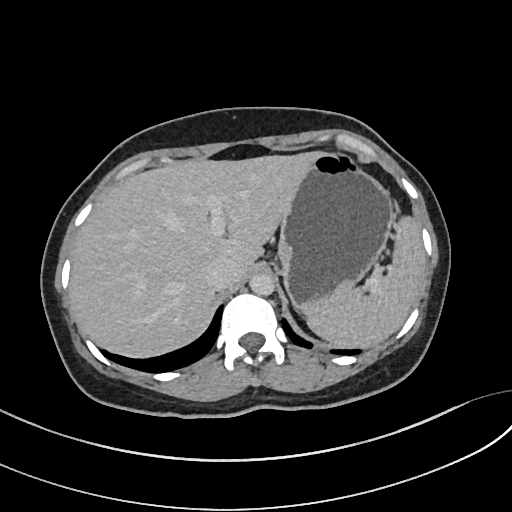

CT, abdomen/pelvis. axial view
{"organs":{"spleen":[308,212,425,346],"liver":[69,153,320,357],"stomach":[276,153,394,316],"aorta":[249,272,274,296],"inferior vena cava":[206,260,239,290]}}